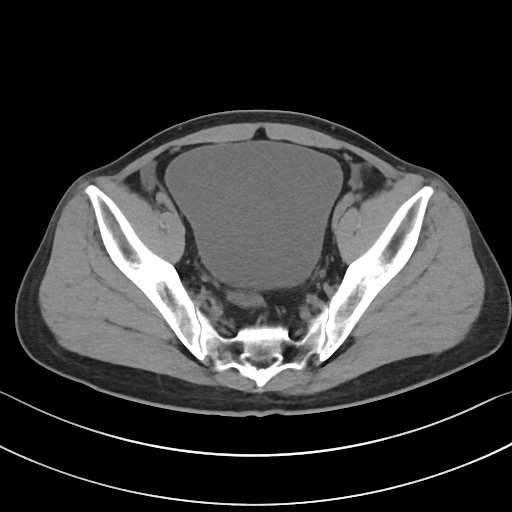
CT, abdomen/pelvis — axial plane, index 24 — abdomen soft-tissue window — scan has 15 labeled organs (a whole-scan count: organs this slice does not pass through have no box)
Boxes are (x1, y1, x2, y2) in pixels.
bladder: (165, 141, 340, 288)